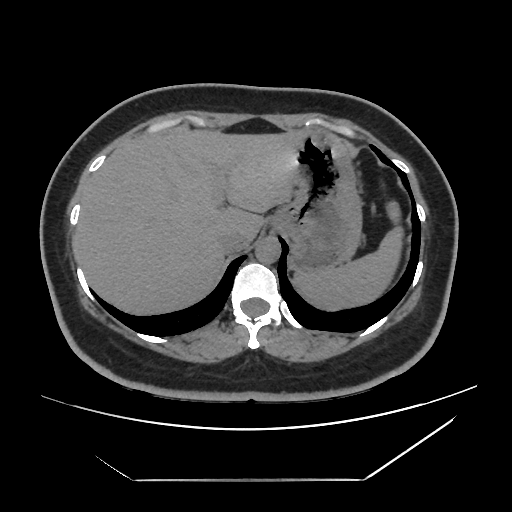 Computed tomography, abdomen — axial view
{"organs":{"spleen":[293,200,404,311],"liver":[74,128,307,315],"stomach":[273,130,361,271],"aorta":[255,236,280,263],"inferior vena cava":[219,232,251,253]}}